CT abdomen. axial view. 512x512 px. scan has 15 labeled organs (a whole-scan count: organs this slice does not pass through have no box)
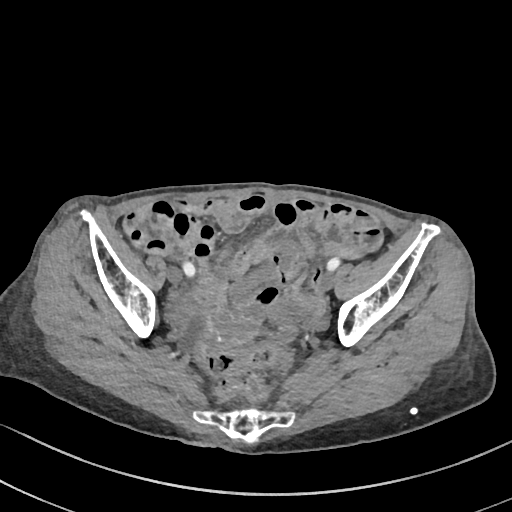 Boxes: x1:y1:x2:y2 in pixels.
prostate/uterus: 206:310:254:350